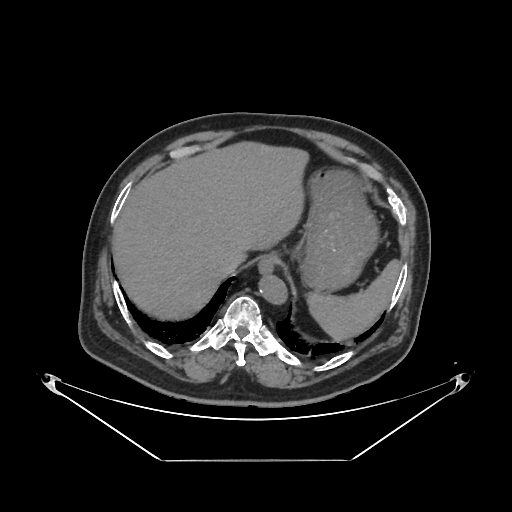 CT abdomen; axial view; soft-tissue window (W 400 / L 40); SOMATOM Force scanner
Bounding boxes as [x1, y1, x2, y2] in pixel coordinates.
spleen: [306, 259, 401, 341]
esophagus: [258, 254, 276, 274]
liver: [112, 141, 308, 319]
stomach: [273, 169, 377, 292]
aorta: [259, 274, 287, 304]
inferior vena cava: [219, 255, 240, 274]